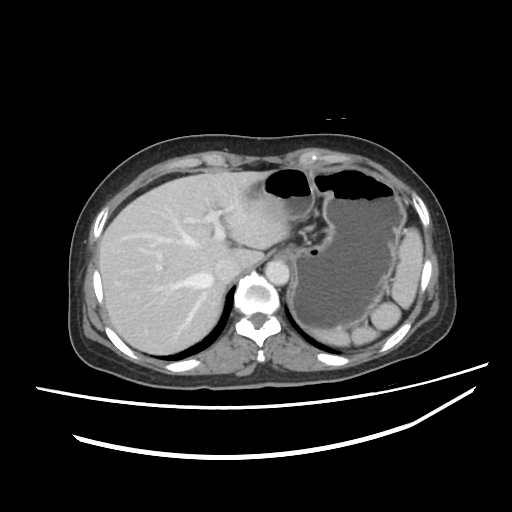 Computed tomography, abdomen. axial plane, index 76. W/L 400/40 HU. 512x512 px. scan has 15 labeled organs (a whole-scan count: organs this slice does not pass through have no box)
<organs><organ name="aorta" x1="265" y1="260" x2="289" y2="285"/><organ name="inferior vena cava" x1="213" y1="258" x2="242" y2="282"/><organ name="spleen" x1="311" y1="228" x2="423" y2="346"/><organ name="stomach" x1="260" y1="167" x2="406" y2="330"/><organ name="liver" x1="98" y1="170" x2="289" y2="354"/></organs>